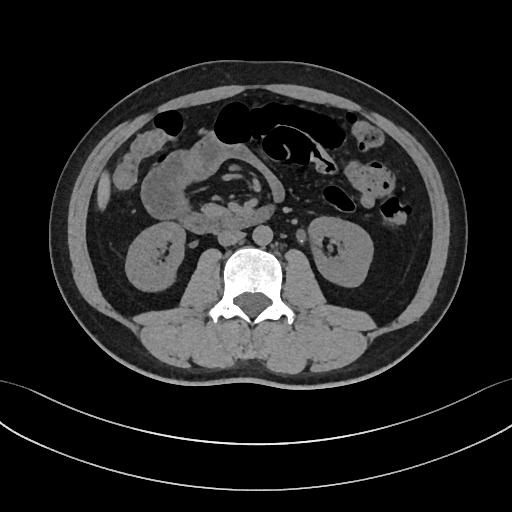

CT, abdomen/pelvis · axial view · soft-tissue window · SOMATOM Force scanner
{"organs":{"inferior vena cava":[217,230,244,245],"aorta":[252,226,272,245],"pancreas":[199,202,229,220],"left kidney":[309,216,373,287],"duodenum":[181,204,271,233],"right kidney":[125,222,185,292],"liver":[97,171,111,210]}}